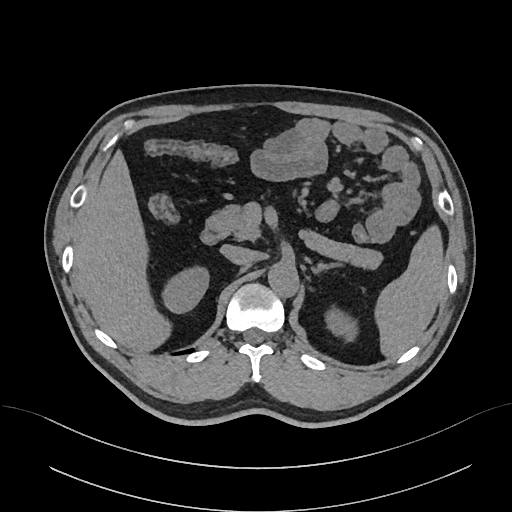 CT, abdomen/pelvis · axial view · abdomen soft-tissue window
{"organs":{"spleen":[377,225,444,357],"right kidney":[164,269,207,312],"left kidney":[326,312,356,339],"liver":[74,149,175,350],"aorta":[268,263,299,298],"inferior vena cava":[220,245,255,265],"pancreas":[206,204,381,270],"left adrenal gland":[310,262,346,275],"duodenum":[200,228,221,245]}}